Chest-level CT slice, above the liver and spleen. axial plane, index 222. soft-tissue window (W 400 / L 40). 512x512 px
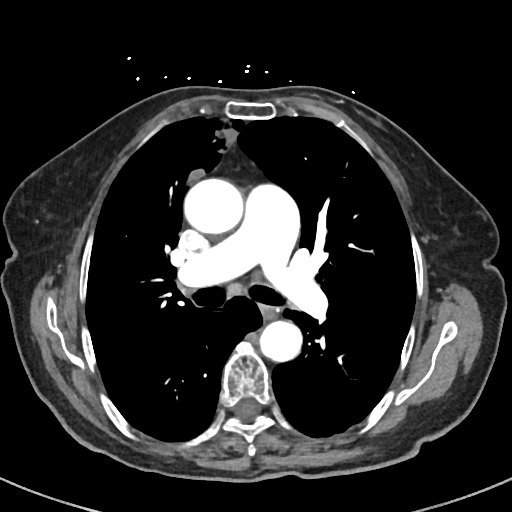 On a slice this high in the chest, this dataset labels only the esophagus and the aorta, and each is boxed only where it is labeled; the heart, lungs and other chest structures are not labeled.
{"organs":{"esophagus":[262,305,275,316],"aorta":[[184,178,243,234],[259,320,302,362]]}}